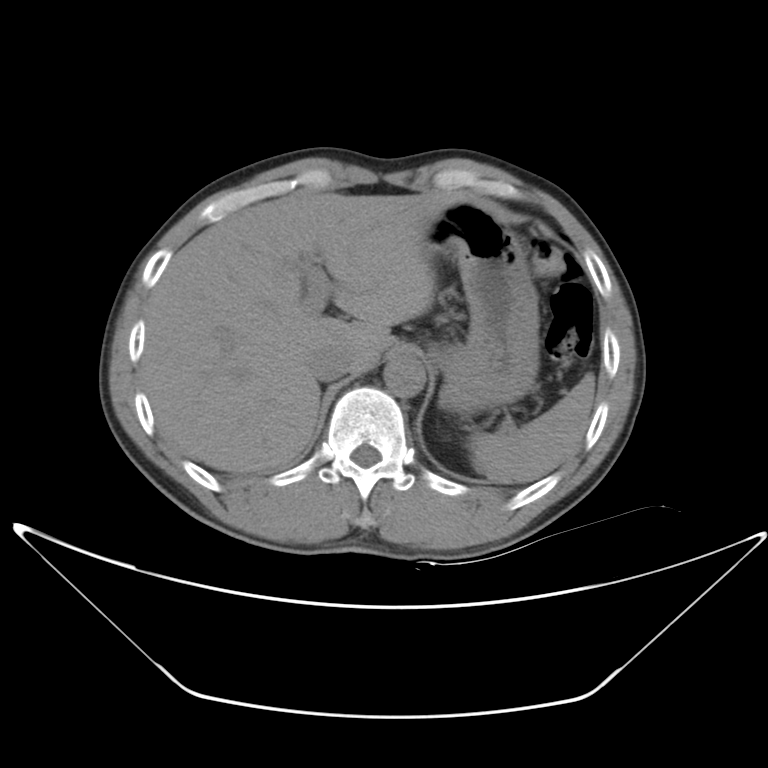 CT abdomen; axial view; soft-tissue window; 768x768 px; scan has 15 labeled organs (counted over the whole 3D scan, not this slice; an organ is boxed only where this slice passes through it)
Boxes: x1 y1 x2 y2 (pixel coords, space-separated).
spleen: 471 372 594 483
liver: 143 192 467 475
stomach: 427 200 540 415
aorta: 384 360 424 397
inferior vena cava: 311 346 351 380